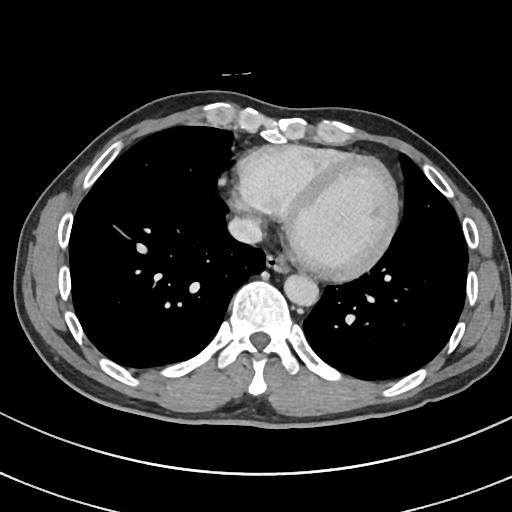

Abdominal CT; this slice is in the lower chest, just above the liver — axial view
Of the structures in the chest, this dataset labels only the esophagus, the aorta and the inferior vena cava; the heart and lungs have no label.
Boxes: x1 y1 x2 y2 (pixel coords, space-separated).
inferior vena cava: 229 217 262 244
esophagus: 265 255 289 273
aorta: 284 275 319 307